CT, abdomen/pelvis; Axial slice 159/314; abdomen soft-tissue window; 512x512 px; SOMATOM Force scanner
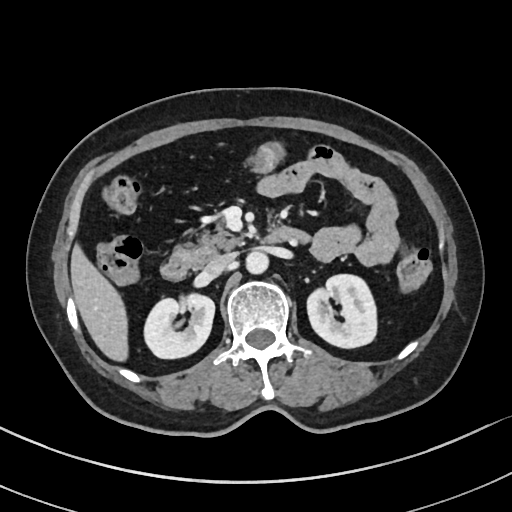

Boxes: x1:y1:x2:y2 in pixels.
Organ bounding boxes:
- inferior vena cava: 204:253:235:277
- pancreas: 174:222:241:267
- duodenum: 160:226:309:280
- liver: 70:244:128:361
- left kidney: 307:274:376:347
- aorta: 246:250:268:274
- right kidney: 143:293:214:358